Computed tomography, abdomen — axial view — 512x512 px
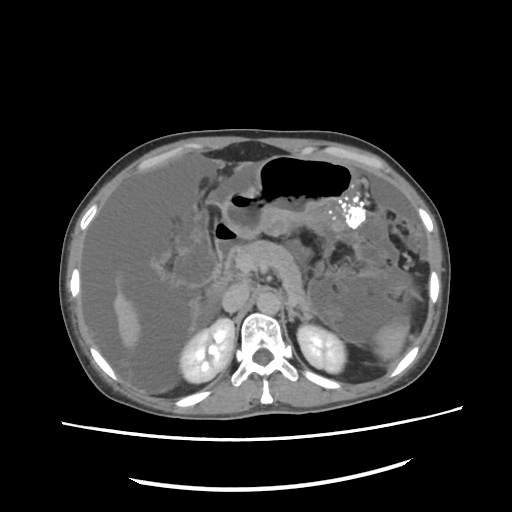
Boxes: x1 y1 x2 y2 (pixel coords, space-separated).
Organ bounding boxes:
- right kidney: 180 317 234 382
- left kidney: 297 324 346 371
- pancreas: 240 240 308 309
- liver: 111 274 139 351
- stomach: 223 154 366 240
- left adrenal gland: 287 307 305 322
- duodenum: 208 219 243 293
- inferior vena cava: 222 283 248 312
- spleen: 373 321 409 362
- aorta: 257 292 280 317